Chest-level CT slice, above the liver and spleen · axial plane, index 301 · soft-tissue window, W/L 400/40 · 512x512 px · acquired on SOMATOM Force
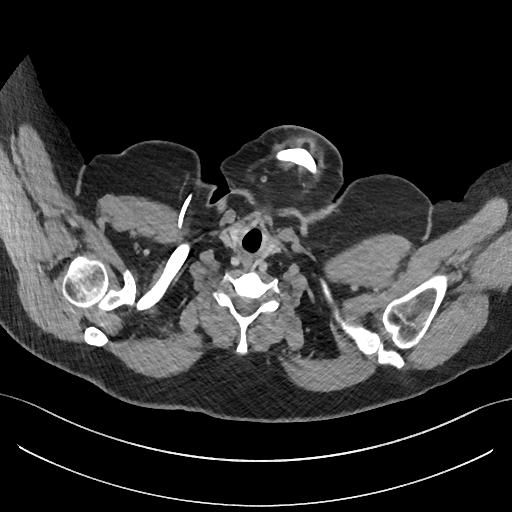
At this level of the chest this dataset labels only the esophagus and the aorta, and each is boxed only where it is labeled; the heart and lungs are never labeled.
Box edges are left/top/right/bottom in pixels.
esophagus: left=242, top=253, right=252, bottom=268